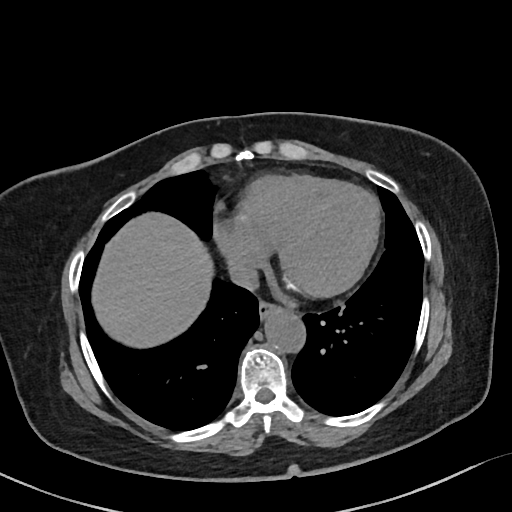
Computed tomography, abdomen · Axial slice 186/192 · acquired on SOMATOM Force · scan has 15 labeled organs (that count is for the whole scan; organs this slice misses have no box)
Organ boxes in pixel coordinates; each row gives the top-left (x1, y1) and bottom-right (x2, y2) corners.
| organ | x1 | y1 | x2 | y2 |
|---|---|---|---|---|
| aorta | 265 | 307 | 304 | 352 |
| liver | 92 | 213 | 212 | 347 |
| esophagus | 259 | 301 | 276 | 320 |
| inferior vena cava | 228 | 262 | 258 | 290 |